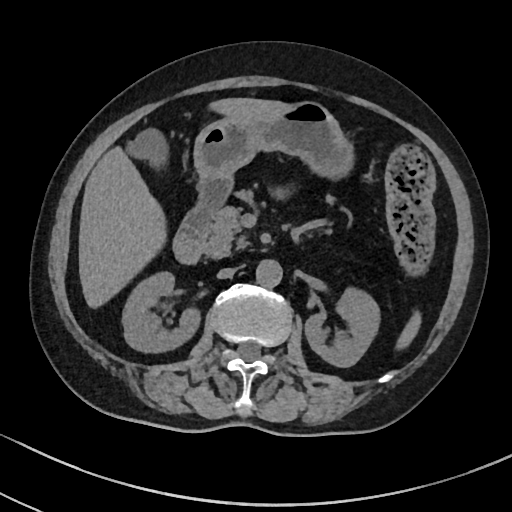
CT abdomen — Axial slice 139/202 — abdomen soft-tissue window
Box edges are left/top/right/bottom in pixels. The annotated organs in this slice are: spleen at left=396, top=311, right=421, bottom=349, right kidney at left=122, top=271, right=200, bottom=352, left kidney at left=305, top=287, right=380, bottom=367, gall bladder at left=127, top=129, right=168, bottom=169, liver at left=78, top=98, right=287, bottom=308, stomach at left=194, top=101, right=353, bottom=183, aorta at left=256, top=259, right=282, bottom=287, inferior vena cava at left=217, top=268, right=235, bottom=278, pancreas at left=203, top=206, right=248, bottom=258, duodenum at left=173, top=183, right=230, bottom=264.